CT abdomen. axial plane, index 40
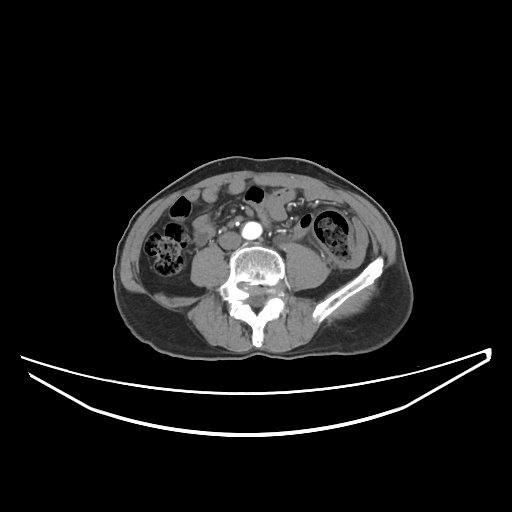
Boxes: x1:y1:x2:y2 in pixels.
Organ bounding boxes:
- inferior vena cava: 218:232:241:249
- aorta: 242:221:261:239